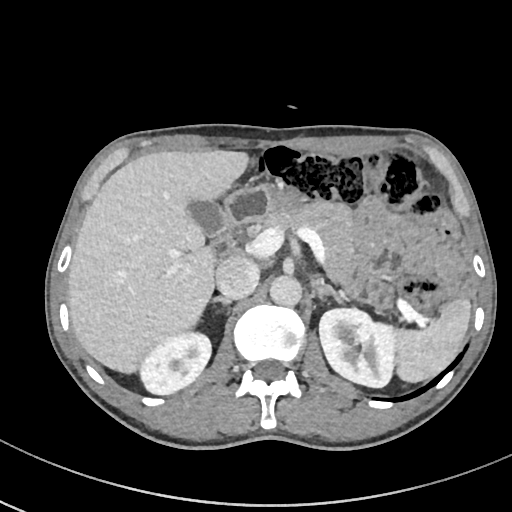
Abdominal CT · axial plane, index 157 · abdomen soft-tissue window · scan has 15 labeled organs (a whole-scan count: organs this slice does not pass through have no box)
Bounding boxes in pixels, one row per box: x1, y1 is the top-left corner and x2, y2 the bottom-right.
| organ | x1 | y1 | x2 | y2 |
|---|---|---|---|---|
| inferior vena cava | 215 | 255 | 260 | 298 |
| spleen | 392 | 301 | 471 | 382 |
| pancreas | 246 | 202 | 357 | 295 |
| left kidney | 319 | 306 | 395 | 387 |
| liver | 68 | 150 | 250 | 372 |
| right adrenal gland | 213 | 296 | 229 | 303 |
| stomach | 267 | 187 | 305 | 207 |
| left adrenal gland | 316 | 277 | 342 | 302 |
| gall bladder | 185 | 197 | 223 | 237 |
| duodenum | 210 | 187 | 272 | 254 |
| right kidney | 138 | 330 | 211 | 394 |
| aorta | 269 | 274 | 301 | 306 |